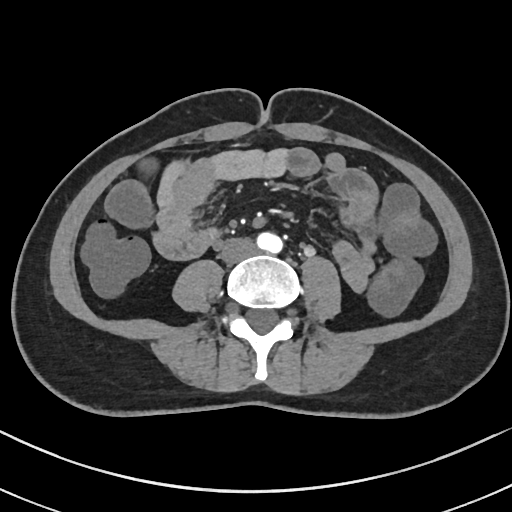
Abdominal CT. Axial slice 129/242. soft-tissue window (W 400 / L 40). SOMATOM Force scanner. scan has 15 labeled organs (that count is for the whole scan; organs this slice misses have no box)
Coordinates as <box>x1,y1,x2,y2</box> in pixels. The annotated organs in this slice are: aorta at <box>257,232,282,253</box>, inferior vena cava at <box>220,238,256,263</box>, duodenum at <box>203,228,219,244</box>.